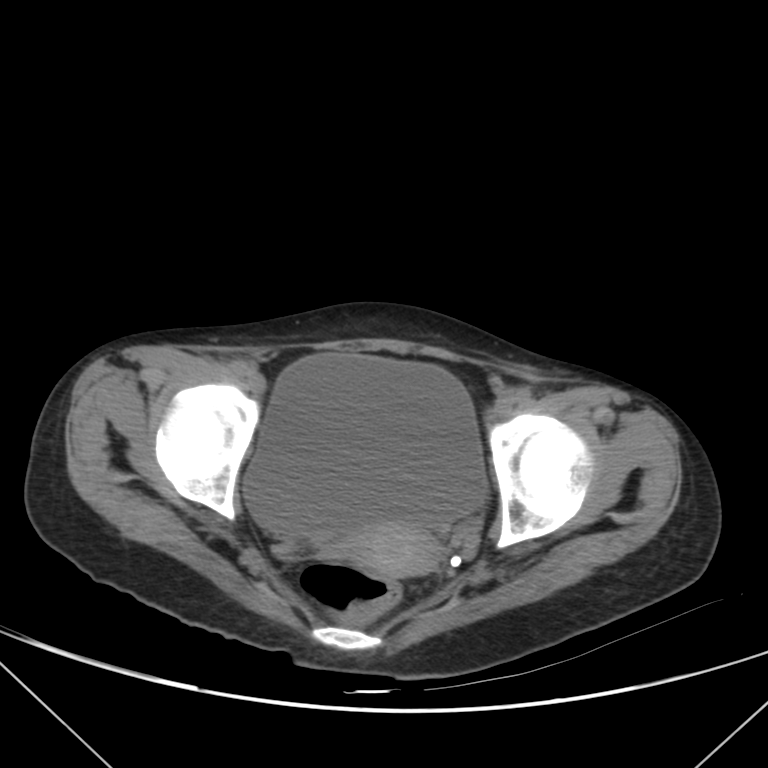
Abdominal CT. axial plane, index 18. abdomen soft-tissue window. scan has 15 labeled organs (counted over the whole 3D scan, not this slice; an organ is boxed only where this slice passes through it)
{"organs":{"prostate/uterus":[340,521,439,576],"bladder":[244,354,488,537]}}